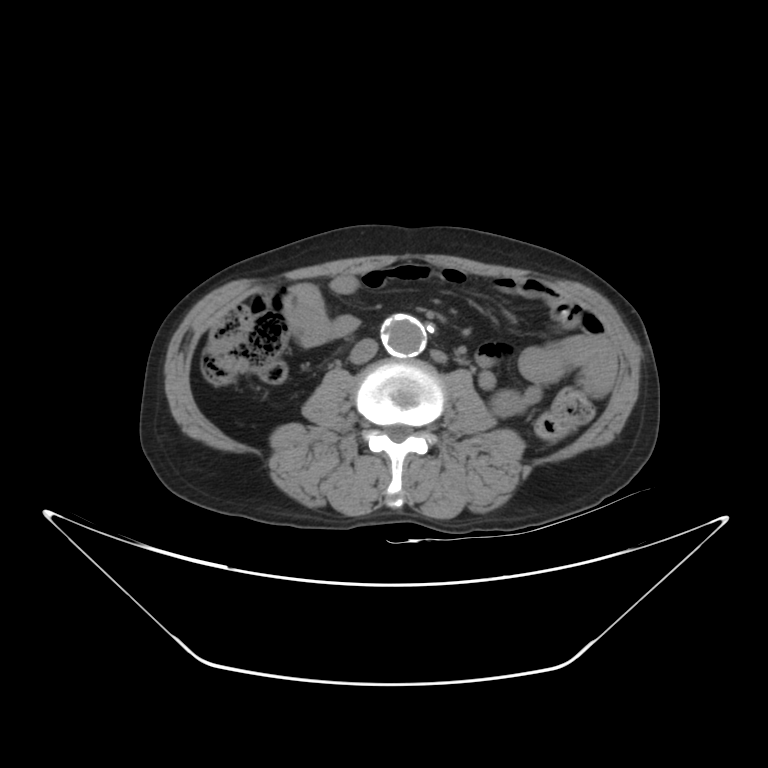

CT abdomen · Axial slice 54/94 · abdomen soft-tissue window · 59-year-old male patient
Boxes: x1:y1:x2:y2 in pixels.
aorta: 382:315:425:357
inferior vena cava: 350:338:377:363